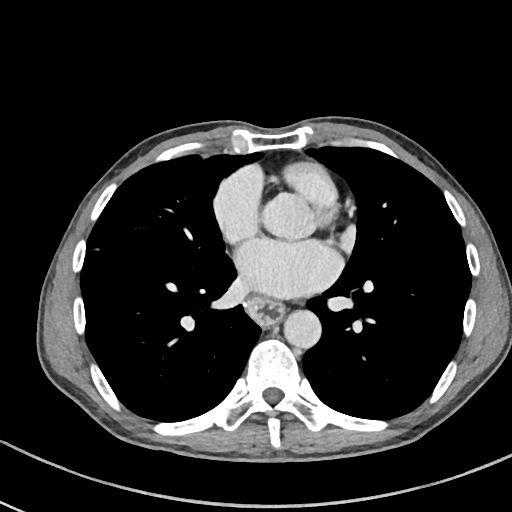

Lower-chest slice from an abdominal CT, just above the liver and spleen. Axial slice 224/306. 512x512 px
The heart and lungs are never labeled in this dataset, so they have no box on this slice. Each box given as x1,y1,x2,y2. Labeled organs on this slice: esophagus at x1=250, y1=299, x2=282, y2=324, aorta at x1=261, y1=194, x2=315, y2=238, aorta at x1=284, y1=311, x2=321, y2=349.